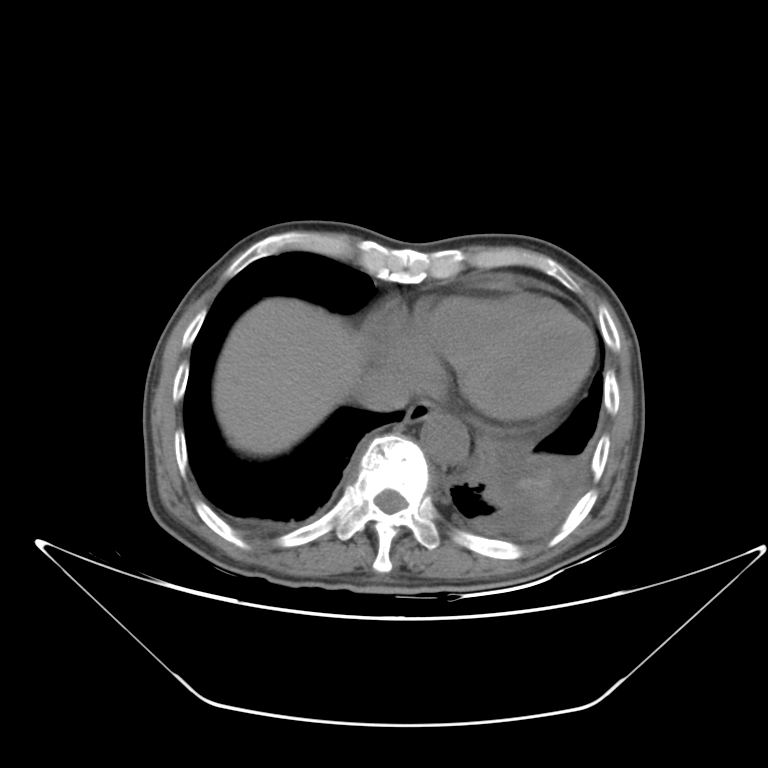

Computed tomography, abdomen; axial view; W/L 400/40 HU; 768x768 px; 69-year-old male patient; scan has 15 labeled organs (counted over the whole 3D scan, not this slice; an organ is boxed only where this slice passes through it)
Each box given as x1,y1,x2,y2. Labeled organs on this slice: esophagus at x1=404, y1=395, x2=443, y2=421, liver at x1=214, y1=297, x2=369, y2=451, aorta at x1=420, y1=412, x2=470, y2=466, inferior vena cava at x1=356, y1=368, x2=414, y2=409.